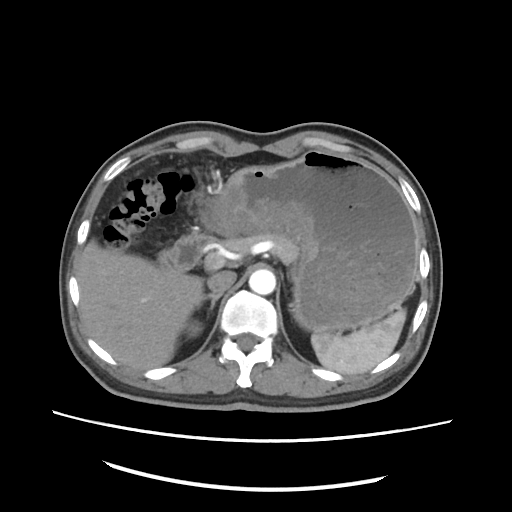
CT, abdomen/pelvis — axial view
Boxes: x1 y1 x2 y2 (pixel coords, space-separated).
Organ bounding boxes:
- spleen: 310 310 405 373
- right kidney: 187 320 203 337
- liver: 79 239 205 369
- stomach: 210 151 421 334
- aorta: 249 269 276 294
- inferior vena cava: 207 271 236 294
- pancreas: 218 232 297 262
- right adrenal gland: 198 293 221 309
- duodenum: 159 235 214 271